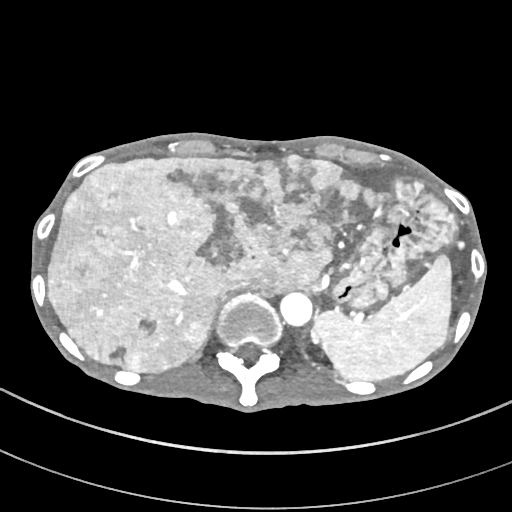
CT abdomen — axial view — soft-tissue window
{"organs":{"liver":[47,156,389,372],"stomach":[333,175,455,306],"inferior vena cava":[218,280,251,299],"aorta":[280,292,312,325],"spleen":[314,254,452,381]}}